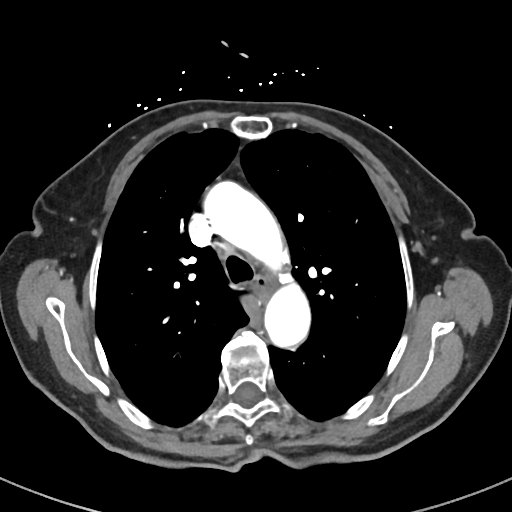
Abdominal CT reaching into the chest; this slice is in the chest. Axial slice 236/279. W/L 400/40 HU. 512x512 px
At this level of the chest no structure but the esophagus and the aorta has a label in this dataset, and those two are boxed only where they are labeled.
One row per box, in pixels: columns x1 and y1 give the top-left corner, x2 and y2 the bottom-right.
| organ | x1 | y1 | x2 | y2 |
|---|---|---|---|---|
| esophagus | 253 | 276 | 271 | 300 |
| aorta | 204 | 181 | 311 | 348 |